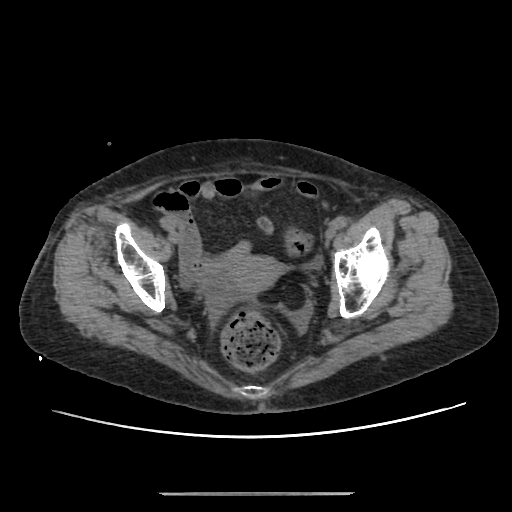

CT abdomen · axial view · abdomen soft-tissue window · 512x512 px · acquired on SOMATOM Force
{"organs":{"prostate/uterus":[228,255,283,293]}}